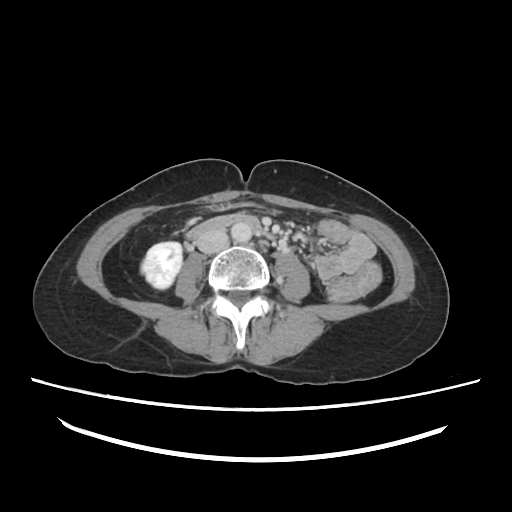 CT, abdomen/pelvis; axial view; soft-tissue window; 54-year-old female patient
{"organs":{"right kidney":[140,242,183,289],"stomach":[211,201,256,210],"aorta":[230,221,252,243],"inferior vena cava":[197,228,229,253],"duodenum":[186,215,262,238]}}